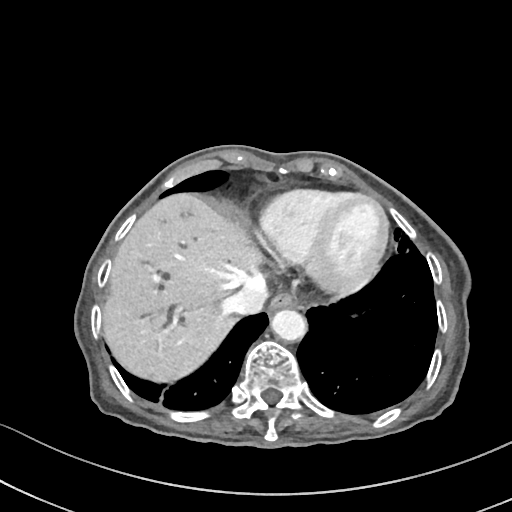
CT, abdomen/pelvis; axial view; abdomen soft-tissue window; 15 organs annotated in this scan (counted over the whole 3D scan, not this slice; an organ is boxed only where this slice passes through it)
Boxes: x1 y1 x2 y2 (pixel coords, space-separated).
Organ bounding boxes:
- esophagus: 270 291 298 310
- liver: 102 193 261 381
- aorta: 271 309 306 341
- inferior vena cava: 224 282 268 314